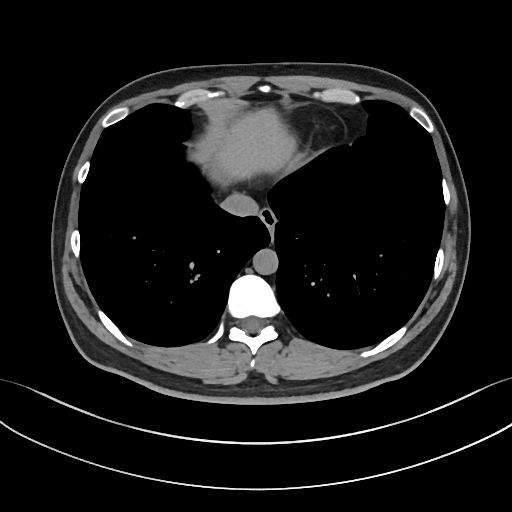

CT, abdomen/pelvis — axial view — abdomen soft-tissue window — 512x512 px — 15 organs annotated in this scan (that count is for the whole scan; organs this slice misses have no box)
Boxes are (x1, y1, x2, y2) in pixels.
Organ bounding boxes:
- liver: (223, 113, 295, 180)
- esophagus: (259, 207, 276, 231)
- inferior vena cava: (220, 192, 258, 217)
- aorta: (252, 248, 278, 274)